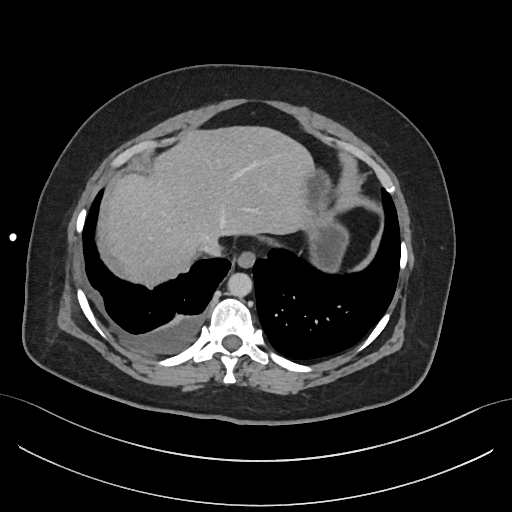 CT, abdomen/pelvis · axial view
<organs><organ name="esophagus" x1="236" y1="252" x2="254" y2="268"/><organ name="liver" x1="106" y1="127" x2="314" y2="281"/><organ name="stomach" x1="304" y1="171" x2="346" y2="269"/><organ name="aorta" x1="228" y1="273" x2="252" y2="297"/><organ name="inferior vena cava" x1="200" y1="239" x2="221" y2="256"/></organs>